CT abdomen. axial view. soft-tissue window (W 400 / L 40)
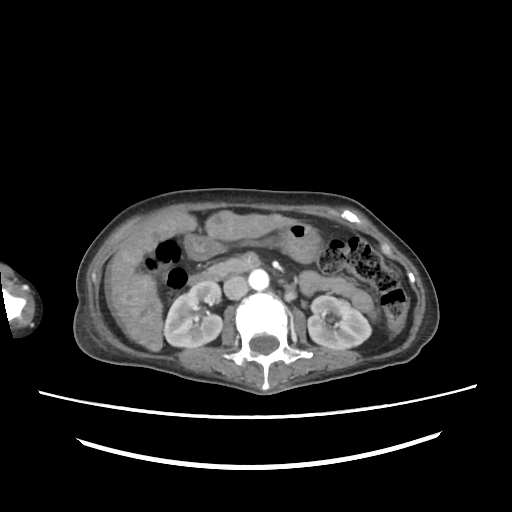 Organ boxes in pixel coordinates; each row gives the top-left (x1, y1) and bottom-right (x2, y2) corners.
| organ | x1 | y1 | x2 | y2 |
|---|---|---|---|---|
| right kidney | 163 | 282 | 222 | 347 |
| left kidney | 308 | 295 | 371 | 349 |
| liver | 109 | 210 | 297 | 351 |
| stomach | 184 | 222 | 321 | 261 |
| aorta | 249 | 269 | 269 | 290 |
| inferior vena cava | 223 | 276 | 248 | 299 |
| pancreas | 209 | 256 | 259 | 277 |
| duodenum | 188 | 270 | 219 | 285 |